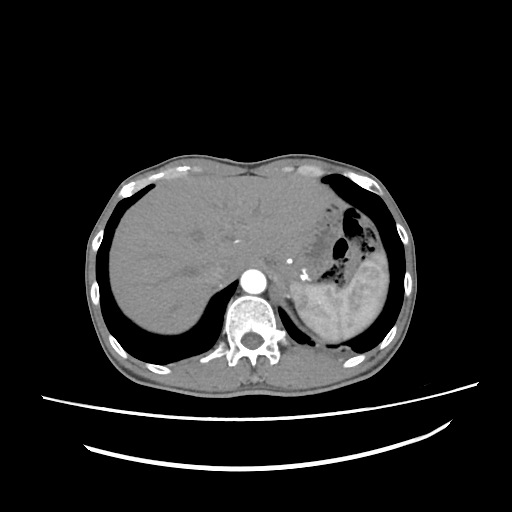

CT, abdomen/pelvis. axial view. W/L 400/40 HU. Aquilion ONE scanner
{"organs":{"inferior vena cava":[202,260,228,284],"aorta":[240,269,266,294],"liver":[109,174,328,333],"spleen":[292,250,388,342]}}